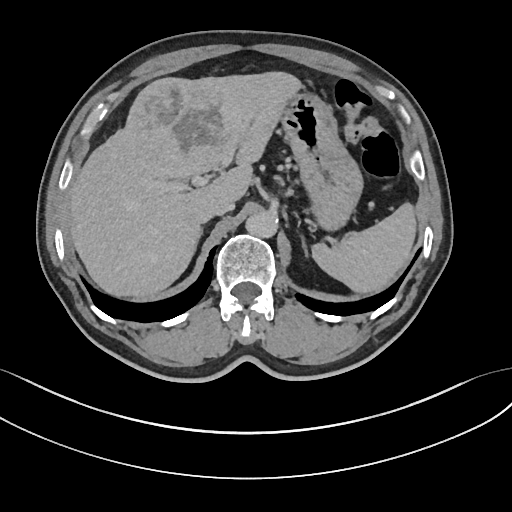
Computed tomography, abdomen. Axial slice 172/224. soft-tissue window (W 400 / L 40). 512x512 px. scan has 15 labeled organs (counted over the whole 3D scan, not this slice; an organ is boxed only where this slice passes through it)
Each box given as x1,y1,x2,y2.
spleen: x1=312, y1=202, x2=417, y2=293
liver: x1=68, y1=70, x2=300, y2=297
stomach: x1=279, y1=88, x2=361, y2=227
aorta: x1=246, y1=211, x2=278, y2=236
inferior vena cava: x1=198, y1=194, x2=234, y2=220
right adrenal gland: x1=199, y1=225, x2=205, y2=237
left adrenal gland: x1=299, y1=233, x2=308, y2=257